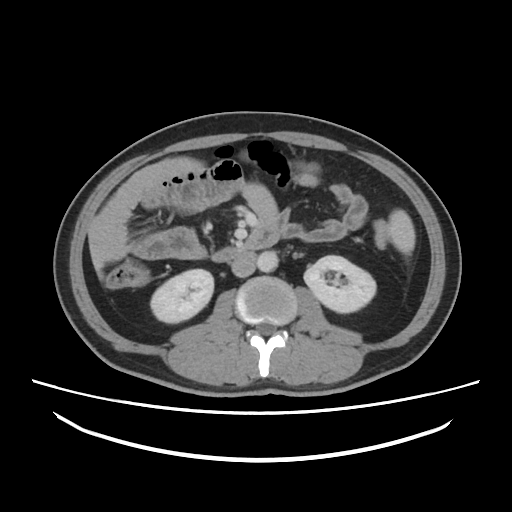 Abdominal CT. Axial slice 61/133. soft-tissue window. 512x512 px
Bounding boxes as [x1, y1, x2, y2] in pixel coordinates.
Organ bounding boxes:
- liver: [94, 257, 101, 269]
- spleen: [387, 209, 415, 254]
- inferior vena cava: [231, 251, 256, 277]
- duodenum: [211, 224, 279, 262]
- aorta: [257, 251, 278, 272]
- left kidney: [304, 255, 375, 312]
- right kidney: [151, 269, 213, 323]